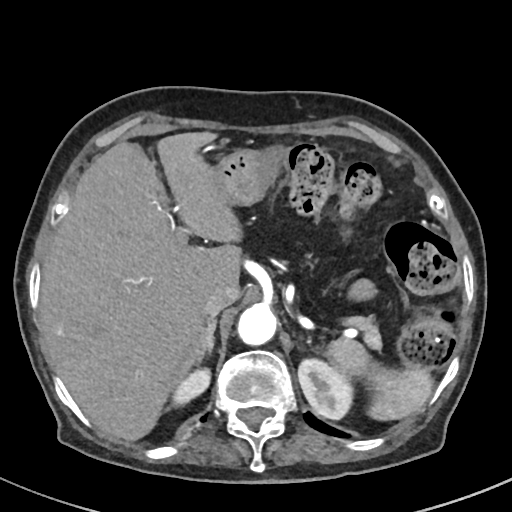

Computed tomography, abdomen · Axial slice 159/279 · abdomen soft-tissue window · 512x512 px
<organs><organ name="spleen" x1="325" y1="339" x2="433" y2="420"/><organ name="right kidney" x1="172" y1="368" x2="210" y2="407"/><organ name="left kidney" x1="298" y1="358" x2="353" y2="419"/><organ name="liver" x1="40" y1="132" x2="241" y2="440"/><organ name="stomach" x1="213" y1="147" x2="283" y2="205"/><organ name="aorta" x1="237" y1="304" x2="276" y2="345"/><organ name="inferior vena cava" x1="203" y1="284" x2="240" y2="317"/><organ name="pancreas" x1="348" y1="317" x2="381" y2="348"/><organ name="right adrenal gland" x1="196" y1="317" x2="216" y2="364"/></organs>